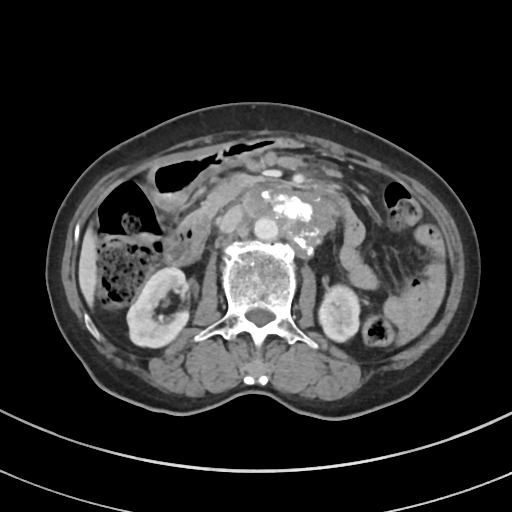 Abdominal CT; axial view; soft-tissue window (W 400 / L 40); scan has 15 labeled organs (counted over the whole 3D scan, not this slice; an organ is boxed only where this slice passes through it)
Each box given as x1,y1,x2,y2. 8 labeled organs on this slice — right kidney at x1=127, y1=267, x2=188, y2=347; left kidney at x1=318, y1=285, x2=359, y2=341; liver at x1=78, y1=228, x2=96, y2=306; stomach at x1=148, y1=136, x2=302, y2=210; aorta at x1=254, y1=217, x2=278, y2=240; inferior vena cava at x1=219, y1=207, x2=242, y2=232; pancreas at x1=192, y1=173, x2=266, y2=219; duodenum at x1=164, y1=178, x2=364, y2=265.